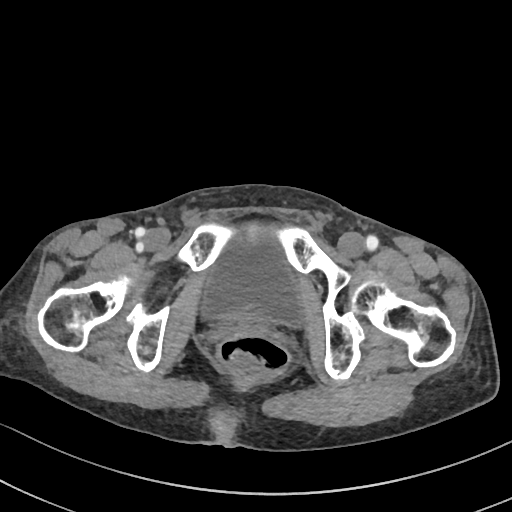 Abdominal CT. axial view. abdomen soft-tissue window. acquired on SOMATOM Force
Boxes are (x1, y1, x2, y2) in pixels.
Organ bounding boxes:
- bladder: (208, 241, 296, 319)